CT abdomen · axial view
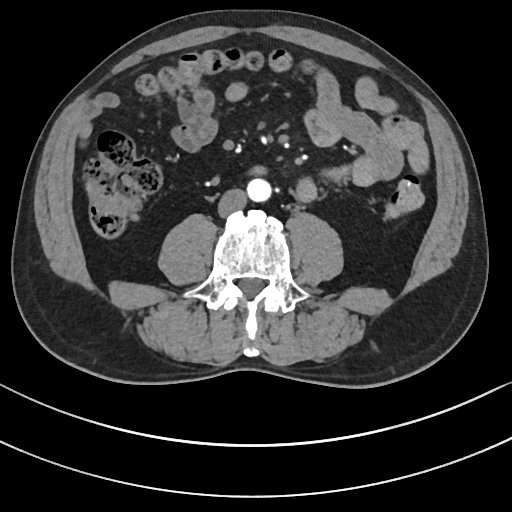
Bounding boxes as [x1, y1, x2, y2] in pixel coordinates.
aorta: [247, 178, 271, 201]
inferior vena cava: [218, 188, 246, 217]
duodenum: [251, 165, 265, 174]